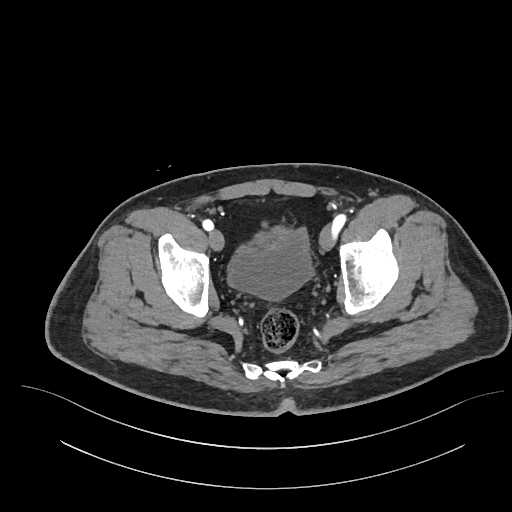

CT, abdomen/pelvis — axial view — soft-tissue window — scan has 15 labeled organs (counted over the whole 3D scan, not this slice; an organ is boxed only where this slice passes through it)
Box edges are left/top/right/bottom in pixels.
bladder: left=227, top=228, right=313, bottom=300